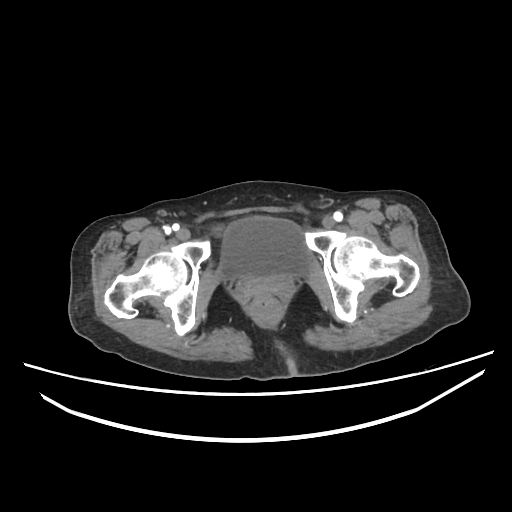 Computed tomography, abdomen · Axial slice 17/122 · 14 organs annotated in this scan (counted over the whole 3D scan, not this slice; an organ is boxed only where this slice passes through it)
{"organs":{"bladder":[217,217,308,278],"prostate/uterus":[238,274,290,294]}}